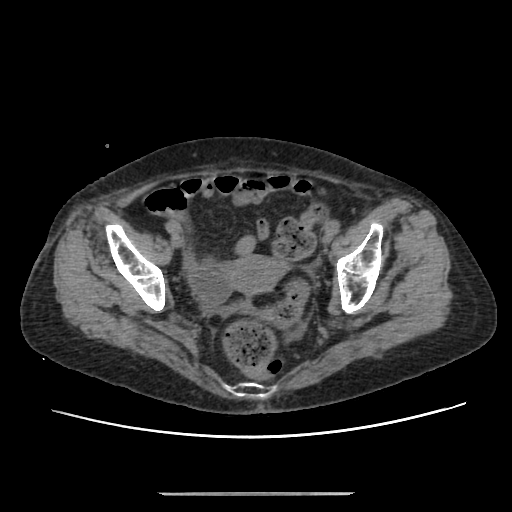 CT, abdomen/pelvis — axial view
Boxes: x1:y1:x2:y2 in pixels. The annotated organs in this slice are: prostate/uterus at 227:255:285:294.